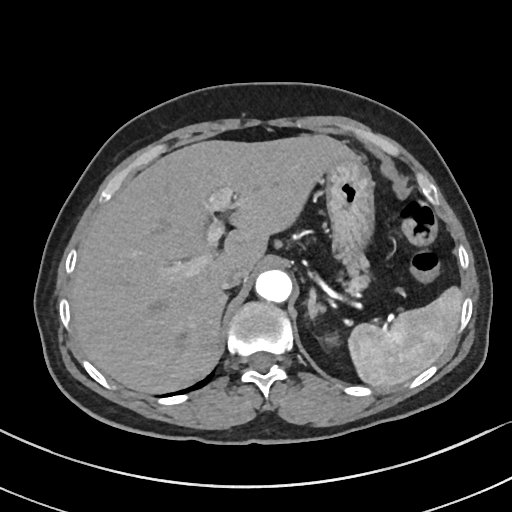
CT abdomen; axial plane, index 171; 15 organs annotated in this scan (counted over the whole 3D scan, not this slice; an organ is boxed only where this slice passes through it)
Coordinates as <box>x1,y1,x2,y2</box> in pixels. 8 labeled organs on this slice — spleen at <box>349,285,462,387</box>; left kidney at <box>325,334,337,342</box>; liver at <box>71,134,350,393</box>; stomach at <box>320,152,373,253</box>; aorta at <box>255,269,291,301</box>; inferior vena cava at <box>218,266,245,288</box>; pancreas at <box>336,252,370,293</box>; left adrenal gland at <box>307,286,326,318</box>.